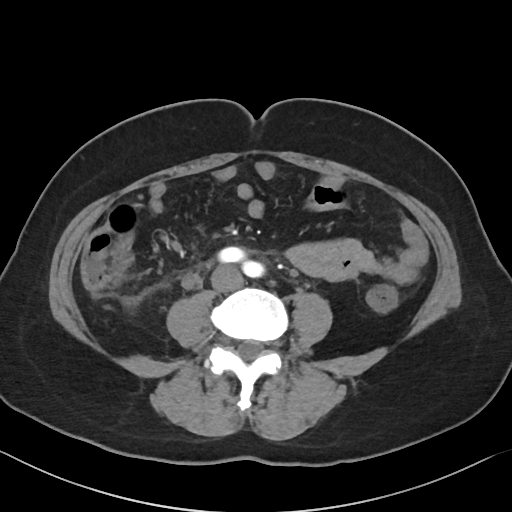

Abdominal CT. axial view. soft-tissue window
<organs><organ name="inferior vena cava" x1="211" y1="265" x2="243" y2="291"/></organs>